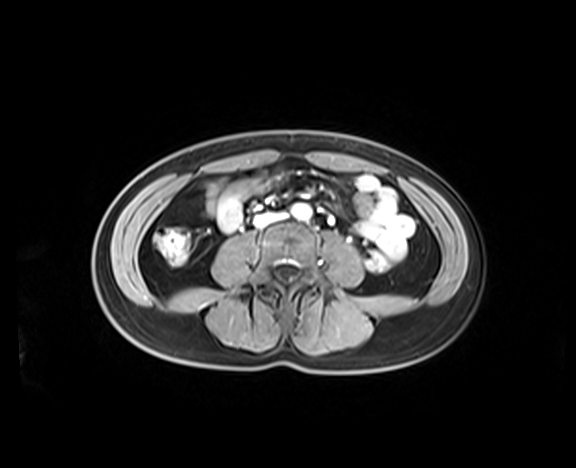

MRI, abdomen. axial view. percentile-normalized
Boxes: x1:y1:x2:y2 in pixels. Labeled organs on this slice: aorta at 292:203:311:219, inferior vena cava at 255:214:281:226.